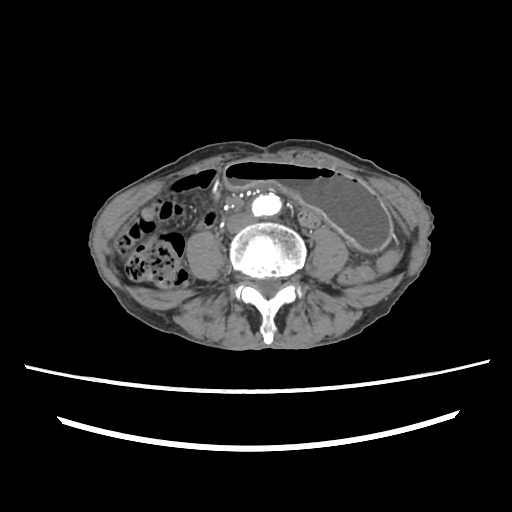
Abdominal CT; axial view; soft-tissue window; 512x512 px; 81-year-old male patient; 15 organs annotated in this scan (a whole-scan count: organs this slice does not pass through have no box)
Box edges are left/top/right/bottom in pixels.
Organ bounding boxes:
- stomach: left=222, top=160, right=393, bottom=249
- aorta: left=249, top=193, right=281, bottom=219
- inferior vena cava: left=226, top=214, right=254, bottom=232